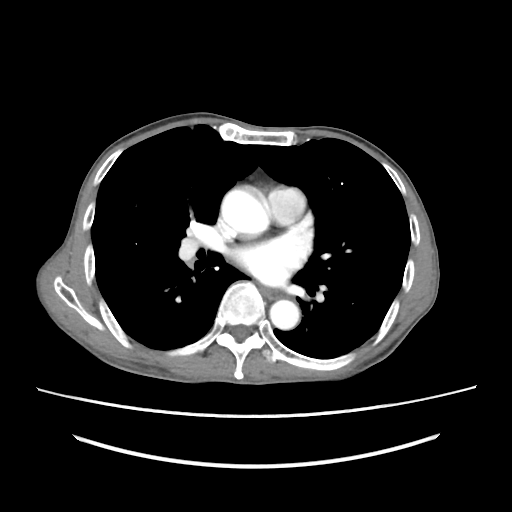 Abdominal CT reaching into the chest; this slice is in the chest · Axial slice 96/126 · soft-tissue window, W/L 400/40 · 512x512 px
At this level of the chest no structure but the esophagus and the aorta has a label in this dataset, and those two are boxed only where they are labeled. Boxes are (x1, y1, x2, y2) in pixels. The annotated organs in this slice are: esophagus at (261, 287, 283, 299), aorta at (221, 189, 269, 237), aorta at (269, 299, 299, 329).